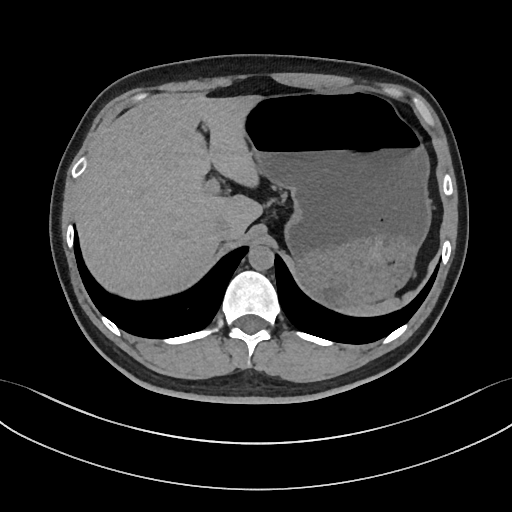

Abdominal CT · axial view
Each box given as x1,y1,x2,y2. Labeled organs on this slice: spleen at x1=346, y1=293, x2=412, y2=315, liver at x1=75, y1=93, x2=262, y2=299, stomach at x1=244, y1=91, x2=430, y2=309, aorta at x1=248, y1=245, x2=273, y2=270, inferior vena cava at x1=213, y1=218, x2=234, y2=240.